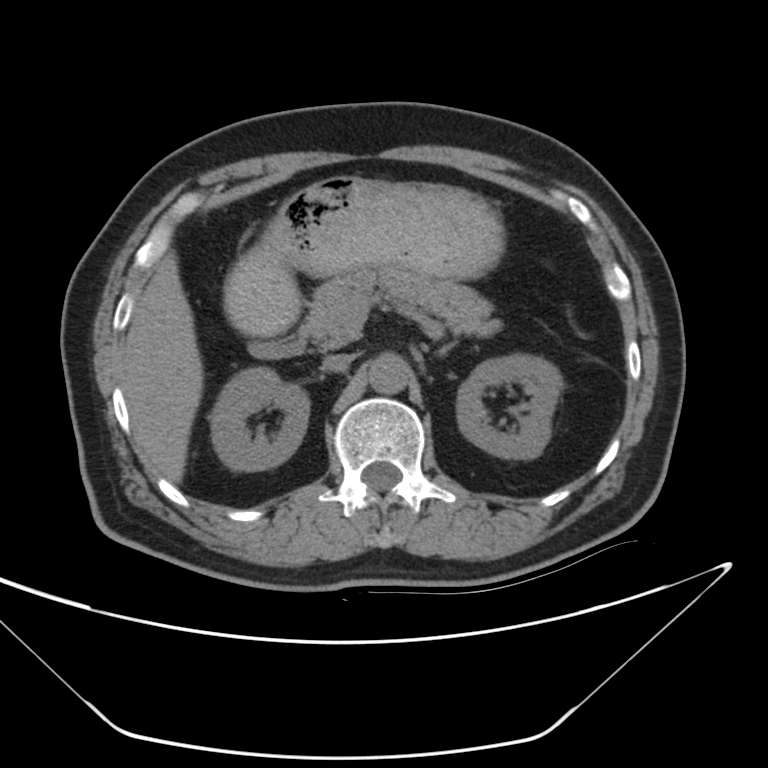

CT, abdomen/pelvis — axial view — abdomen soft-tissue window — scan has 14 labeled organs (counted over the whole 3D scan, not this slice; an organ is boxed only where this slice passes through it)
Organ boxes in pixel coordinates; each row gives the top-left (x1, y1) and bottom-right (x2, y2) corners.
| organ | x1 | y1 | x2 | y2 |
|---|---|---|---|---|
| right kidney | 208 | 369 | 307 | 470 |
| left kidney | 455 | 353 | 559 | 459 |
| liver | 122 | 247 | 204 | 484 |
| stomach | 225 | 176 | 499 | 334 |
| aorta | 366 | 351 | 411 | 393 |
| inferior vena cava | 325 | 354 | 348 | 367 |
| pancreas | 303 | 270 | 500 | 348 |
| left adrenal gland | 435 | 342 | 454 | 355 |
| duodenum | 248 | 333 | 303 | 360 |